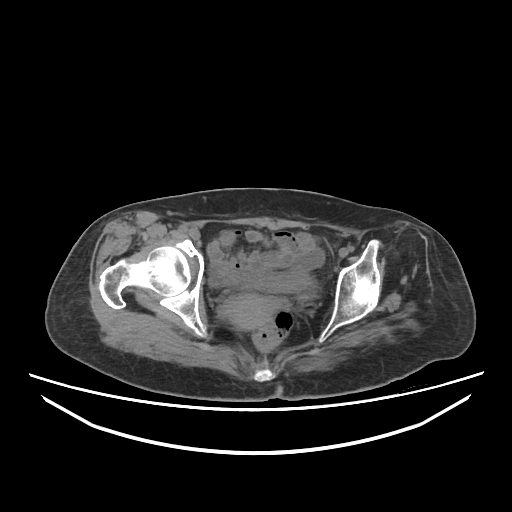
Computed tomography, abdomen · axial view · 49-year-old female patient · acquired on Aquilion ONE
Bounding boxes as [x1, y1, x2, y2] in pixel coordinates.
Organ bounding boxes:
- prostate/uterus: [223, 294, 277, 329]
- bladder: [241, 273, 314, 292]